Chest-level CT slice, above the liver and spleen · axial view · soft-tissue window (W 400 / L 40)
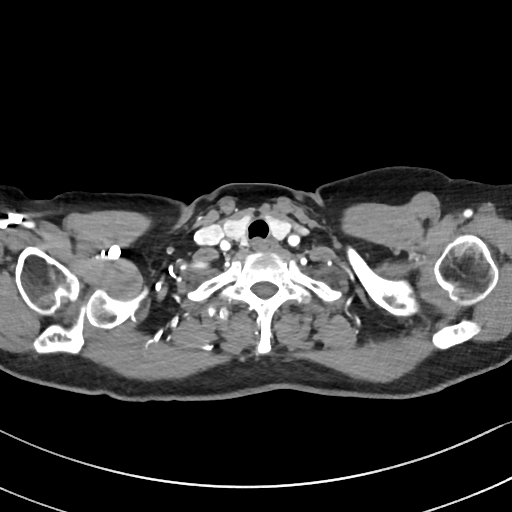
At this level of the chest no structure but the esophagus and the aorta has a label in this dataset, and those two are boxed only where they are labeled.
{"organs":{"esophagus":[251,239,275,250]}}